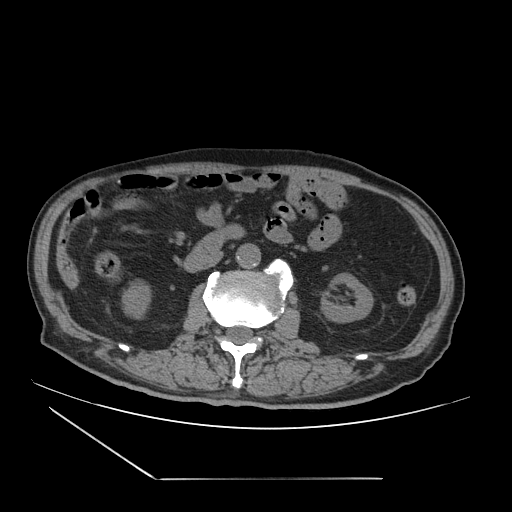

Computed tomography, abdomen — axial view
One row per box, in pixels: columns x1 and y1 give the top-left corner, x2 and y2 the bottom-right.
| organ | x1 | y1 | x2 | y2 |
|---|---|---|---|---|
| right kidney | 123 | 283 | 149 | 318 |
| left kidney | 319 | 274 | 372 | 322 |
| aorta | 236 | 244 | 261 | 269 |
| inferior vena cava | 202 | 252 | 222 | 269 |
| duodenum | 184 | 225 | 244 | 271 |